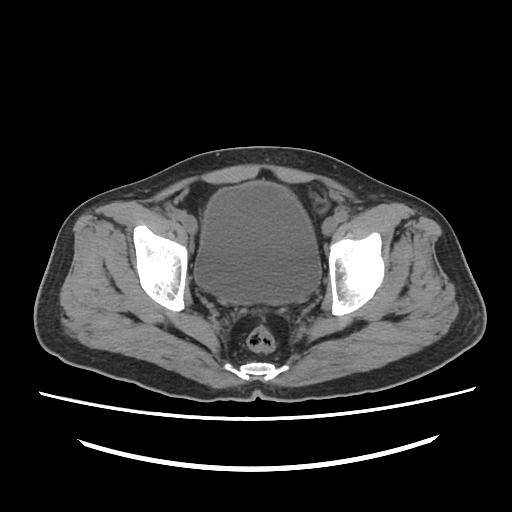 CT, abdomen/pelvis — axial view — 512x512 px — 14 organs annotated in this scan (that count is for the whole scan; organs this slice misses have no box)
{"organs":{"bladder":[194,181,320,304]}}